Abdominal MR — axial view — scan has 13 labeled organs (a whole-scan count: organs this slice does not pass through have no box)
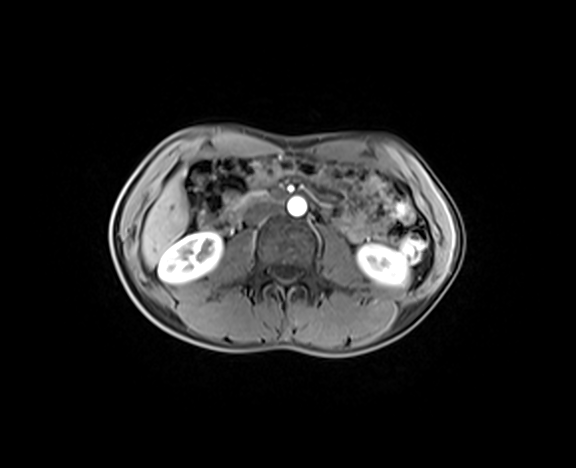 Each box given as x1,y1,x2,y2.
right kidney: x1=158, y1=232, x2=222, y2=283
left kidney: x1=357, y1=245, x2=407, y2=284
liver: x1=142, y1=175, x2=188, y2=267
aorta: x1=287, y1=196, x2=306, y2=216
inferior vena cava: x1=245, y1=200, x2=281, y2=222
duodenum: x1=224, y1=191, x2=290, y2=224